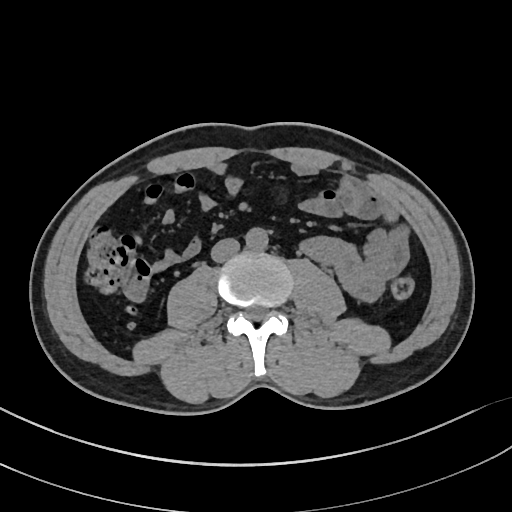

CT abdomen — Axial slice 118/228 — soft-tissue window (W 400 / L 40) — 512x512 px — scan has 15 labeled organs (a whole-scan count: organs this slice does not pass through have no box)
One row per box, in pixels: columns x1 and y1 give the top-left corner, x2 and y2 the bottom-right.
| organ | x1 | y1 | x2 | y2 |
|---|---|---|---|---|
| inferior vena cava | 211 | 238 | 240 | 262 |
| aorta | 245 | 227 | 267 | 249 |